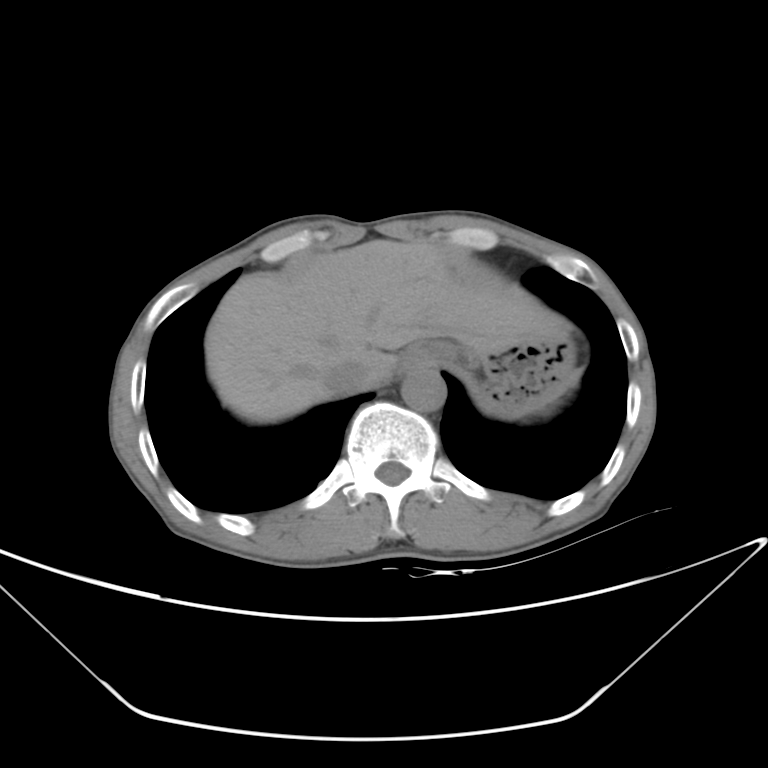 Computed tomography, abdomen; Axial slice 76/79; soft-tissue window (W 400 / L 40)
Organ boxes in pixel coordinates; each row gives the top-left (x1, y1) and bottom-right (x2, y2) corners.
| organ | x1 | y1 | x2 | y2 |
|---|---|---|---|---|
| stomach | 436 | 328 | 576 | 418 |
| aorta | 402 | 368 | 445 | 411 |
| esophagus | 400 | 343 | 444 | 370 |
| liver | 205 | 239 | 564 | 422 |
| inferior vena cava | 325 | 362 | 368 | 393 |